Computed tomography, abdomen. axial view. abdomen soft-tissue window. 14 organs annotated in this scan (counted over the whole 3D scan, not this slice; an organ is boxed only where this slice passes through it)
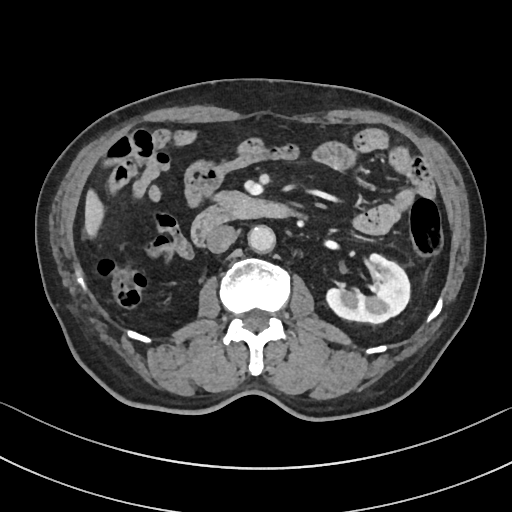
Box edges are left/top/right/bottom in pixels. The annotated organs in this slice are: left kidney at left=327, top=253, right=410, bottom=323, liver at left=84, top=189, right=104, bottom=236, aorta at left=247, top=225, right=275, bottom=251, inferior vena cava at left=206, top=225, right=235, bottom=253, pancreas at left=214, top=191, right=245, bottom=204, duodenum at left=191, top=197, right=288, bottom=245.